Abdominal CT. axial view. soft-tissue window
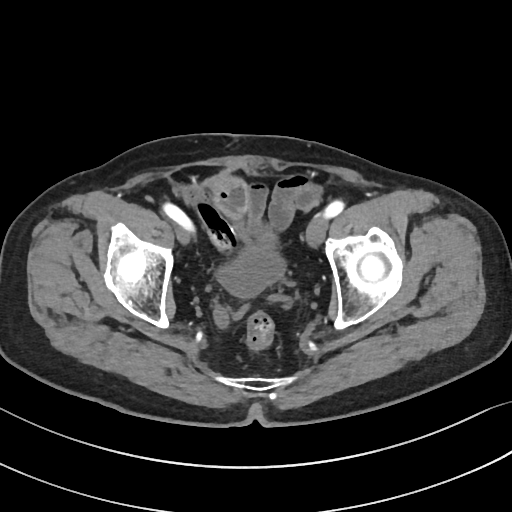 {"organs":{"bladder":[217,230,288,296]}}